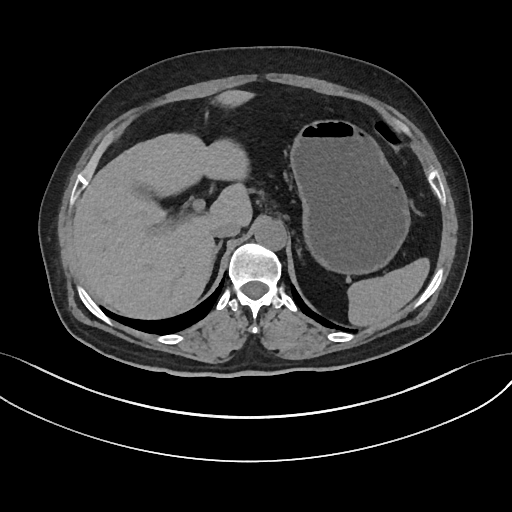

CT abdomen. axial view
Each box given as x1,y1,x2,y2.
Organ bounding boxes:
- spleen: x1=347, y1=258, x2=429, y2=326
- gall bladder: x1=135, y1=184, x2=153, y2=199
- liver: x1=72, y1=90, x2=253, y2=319
- stomach: x1=290, y1=120, x2=410, y2=274
- aorta: x1=254, y1=220, x2=286, y2=250
- inferior vena cava: x1=212, y1=219, x2=240, y2=237
- right adrenal gland: x1=214, y1=241, x2=222, y2=259